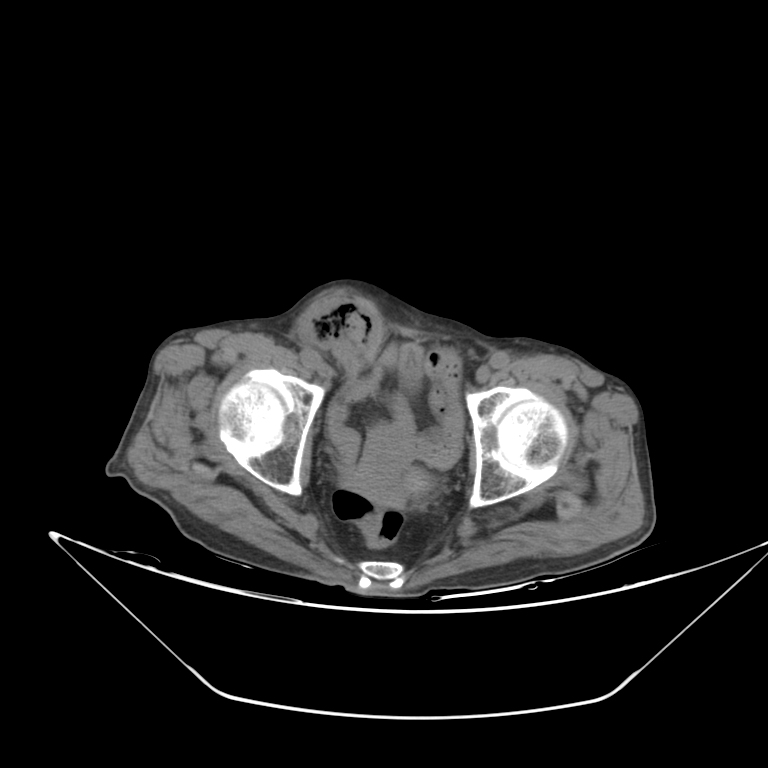 Computed tomography, abdomen; axial view; 15 organs annotated in this scan (that count is for the whole scan; organs this slice misses have no box)
<organs><organ name="bladder" x1="399" y1="343" x2="423" y2="385"/></organs>